CT, abdomen/pelvis — Axial slice 137/208 — 512x512 px
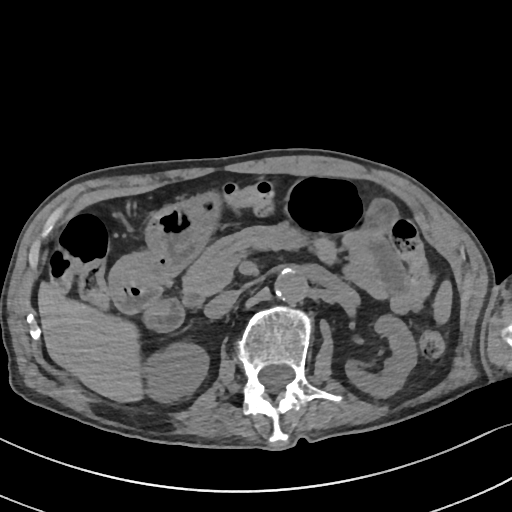

Boxes are (x1, y1, x2, y2) in pixels. 9 labeled organs on this slice — pancreas at (182, 224, 337, 306); aorta at (275, 269, 307, 302); right kidney at (143, 342, 208, 402); inferior vena cava at (204, 290, 238, 319); left kidney at (345, 315, 417, 397); stomach at (107, 191, 222, 295); spleen at (435, 282, 451, 320); liver at (38, 282, 143, 402); duodenum at (115, 285, 184, 331).